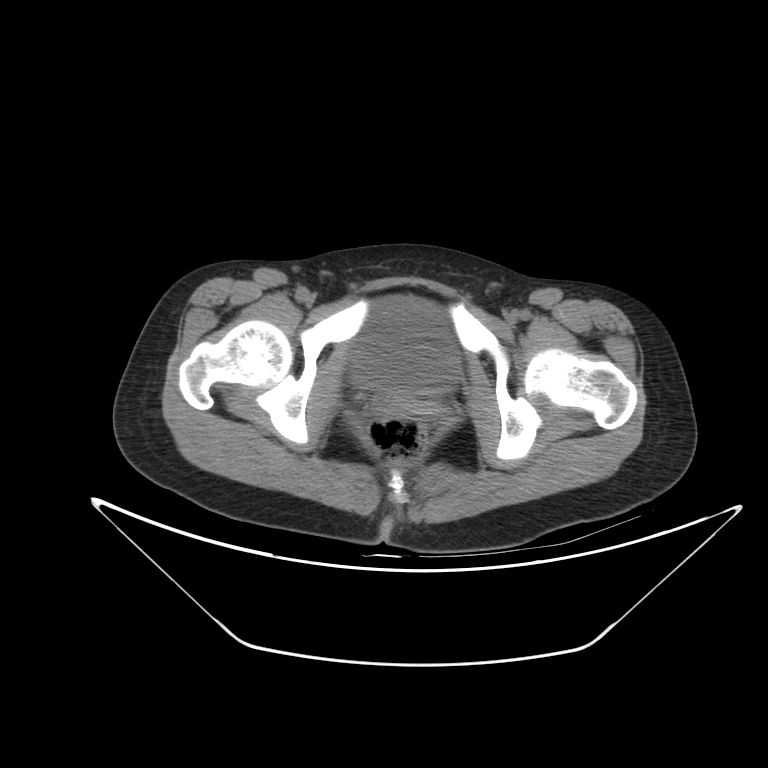
Abdominal CT · axial view · 768x768 px · 38-year-old female patient · 15 organs annotated in this scan (counted over the whole 3D scan, not this slice; an organ is boxed only where this slice passes through it)
Boxes are (x1, y1, x2, y2) in pixels. 1 labeled organ on this slice — bladder at (350, 295, 459, 393).